Abdominal CT; this slice is in the lower chest, just above the liver · axial view · soft-tissue window, W/L 400/40 · scan has 15 labeled organs (a whole-scan count: organs this slice does not pass through have no box)
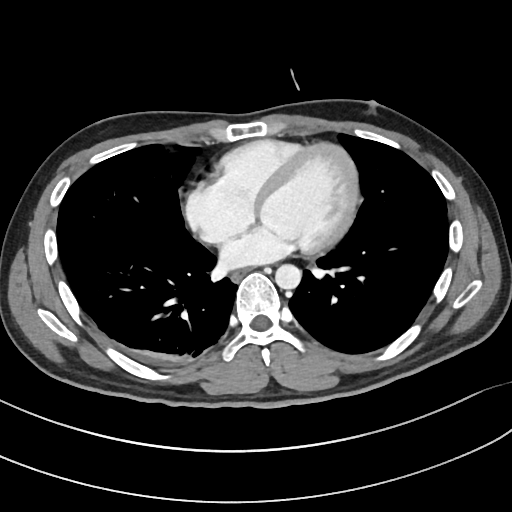

The heart and lungs are never labeled in this dataset, so they have no box on this slice.
Boxes: x1:y1:x2:y2 in pixels.
Organ bounding boxes:
- aorta: 275:264:301:289
- esophagus: 231:270:246:281